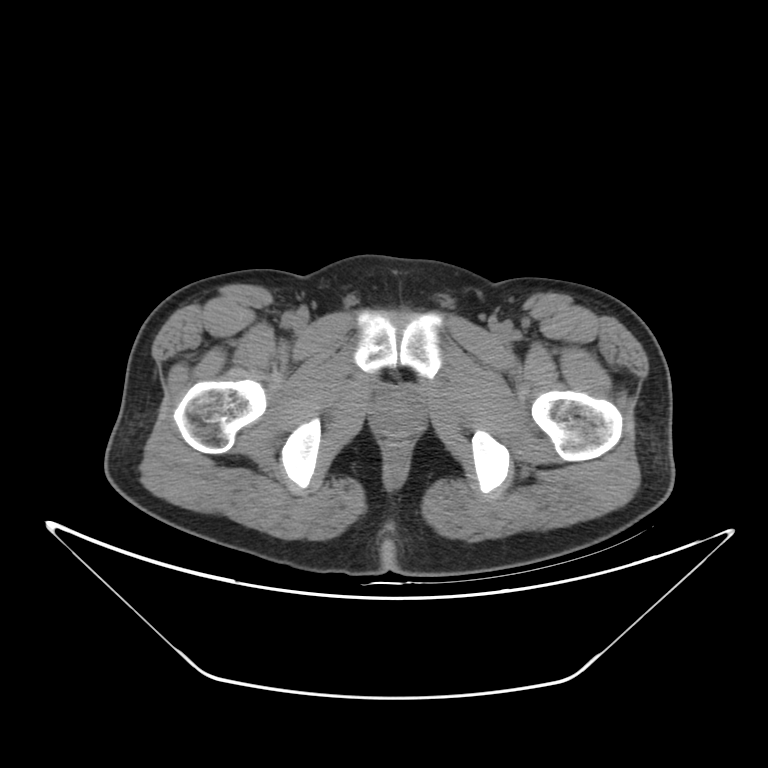

Abdominal CT. axial view. 768x768 px. 25-year-old male patient
{"organs":{"prostate/uterus":[380,395,417,431]}}